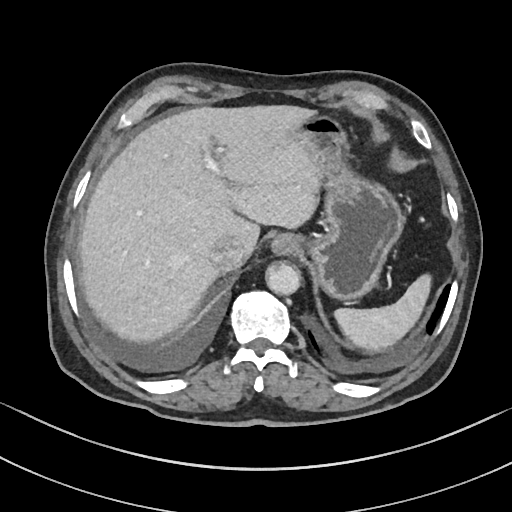
Computed tomography, abdomen — axial plane, index 197 — SOMATOM Force scanner
<organs><organ name="inferior vena cava" x1="209" y1="237" x2="243" y2="272"/><organ name="stomach" x1="292" y1="112" x2="405" y2="300"/><organ name="liver" x1="78" y1="105" x2="320" y2="343"/><organ name="aorta" x1="265" y1="261" x2="300" y2="294"/><organ name="spleen" x1="334" y1="274" x2="431" y2="352"/><organ name="esophagus" x1="271" y1="234" x2="300" y2="254"/></organs>